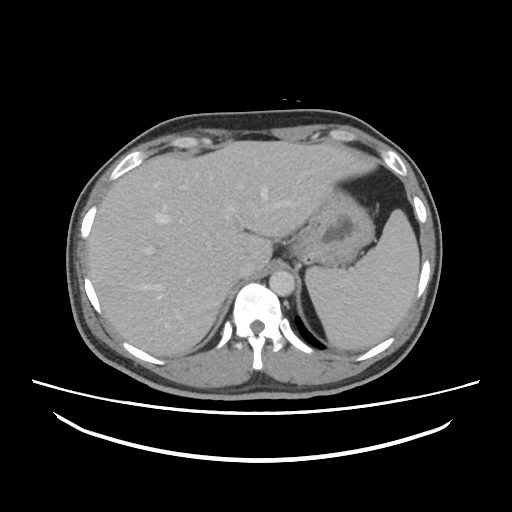
Computed tomography, abdomen — axial view — soft-tissue window — 512x512 px
{"organs":{"spleen":[305,209,419,349],"liver":[88,140,376,356],"stomach":[289,190,374,267],"aorta":[269,270,294,296],"inferior vena cava":[233,261,252,279]}}